Abdominal CT; axial view; soft-tissue window (W 400 / L 40)
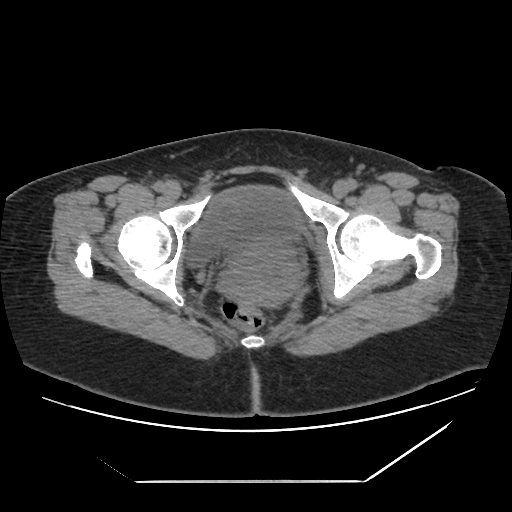

{"organs":{"prostate/uterus":[247,256,291,302],"bladder":[187,185,305,266]}}